Abdominal CT; this slice is in the lower chest, just above the liver — axial view — soft-tissue window, W/L 400/40
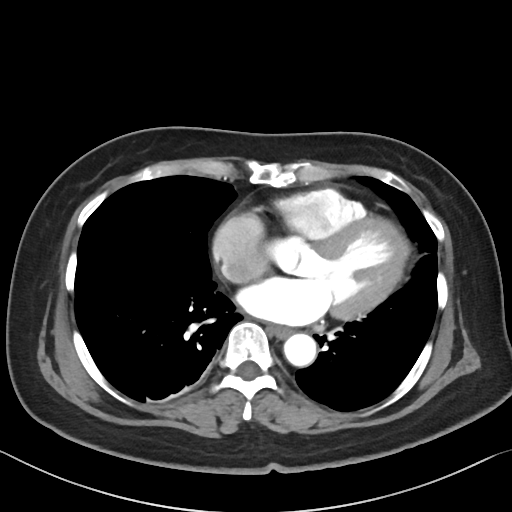 No part of the heart or lungs is labeled in this dataset, so neither has a box here.
Each box given as x1,y1,x2,y2.
Organ bounding boxes:
- esophagus: x1=268, y1=325, x2=292, y2=337
- aorta: x1=284, y1=333, x2=316, y2=366